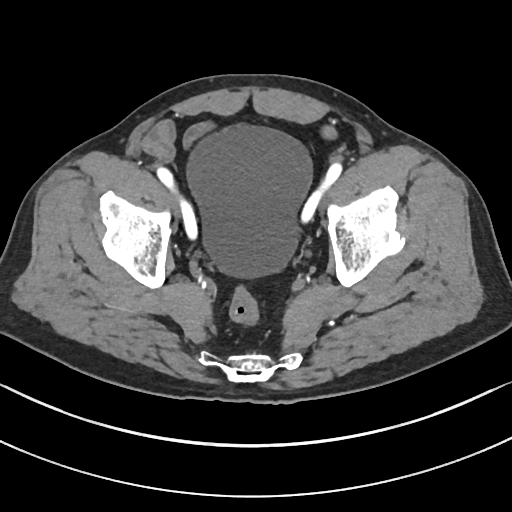

Computed tomography, abdomen. axial view. acquired on SOMATOM Force
One row per box, in pixels: columns x1 and y1 give the top-left corner, x2 and y2 the bottom-right.
| organ | x1 | y1 | x2 | y2 |
|---|---|---|---|---|
| bladder | 189 | 126 | 311 | 276 |